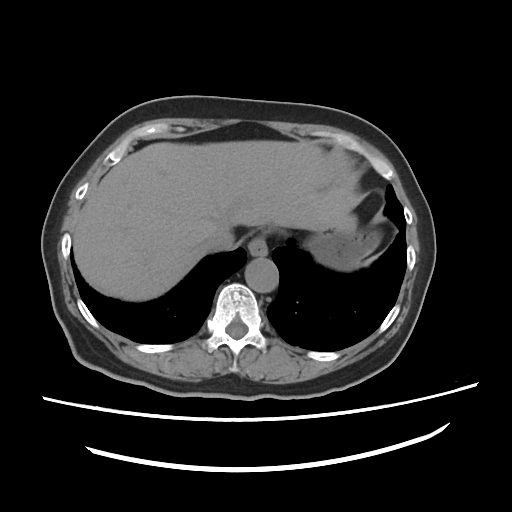
CT, abdomen/pelvis — axial view — soft-tissue window — 61-year-old female patient — acquired on Aquilion ONE
<organs><organ name="esophagus" x1="248" y1="238" x2="267" y2="256"/><organ name="liver" x1="73" y1="140" x2="357" y2="300"/><organ name="stomach" x1="306" y1="216" x2="380" y2="270"/><organ name="aorta" x1="245" y1="258" x2="278" y2="292"/><organ name="inferior vena cava" x1="204" y1="227" x2="234" y2="251"/></organs>